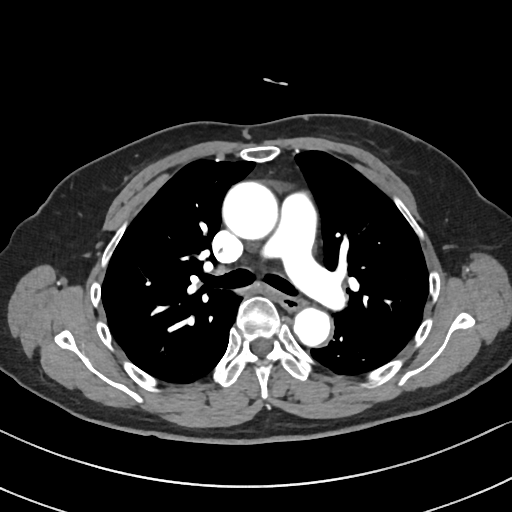
Chest-level CT slice, above the liver and spleen · axial view · W/L 400/40 HU
On a slice this high in the chest, this dataset labels only the esophagus and the aorta, and each is boxed only where it is labeled; the heart, lungs and other chest structures are not labeled.
One row per box, in pixels: columns x1 and y1 give the top-left corner, x2 and y2 the bottom-right.
| organ | x1 | y1 | x2 | y2 |
|---|---|---|---|---|
| esophagus | 280 | 296 | 304 | 311 |
| aorta | 222 | 181 | 276 | 238 |
| aorta | 294 | 307 | 333 | 348 |